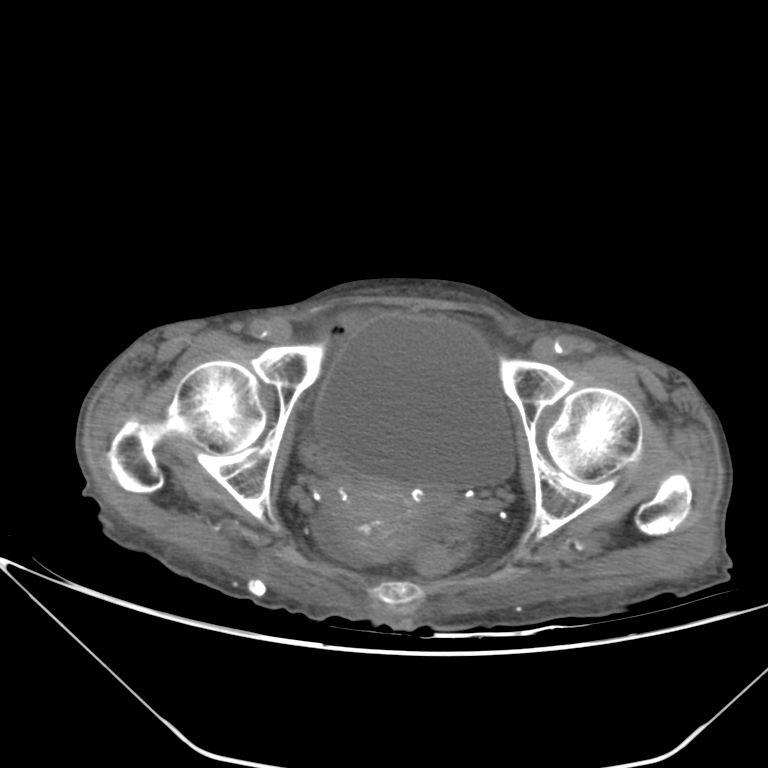

CT abdomen; axial view; abdomen soft-tissue window; 768x768 px; 80-year-old female patient; Brilliance16 scanner
Bounding boxes as [x1, y1, x2, y2] in pixel coordinates.
Organ bounding boxes:
- prostate/uterus: [325, 478, 450, 563]
- bladder: [314, 314, 514, 489]